CT abdomen — axial view — 47-year-old female patient — Aquilion ONE scanner — scan has 15 labeled organs (that count is for the whole scan; organs this slice misses have no box)
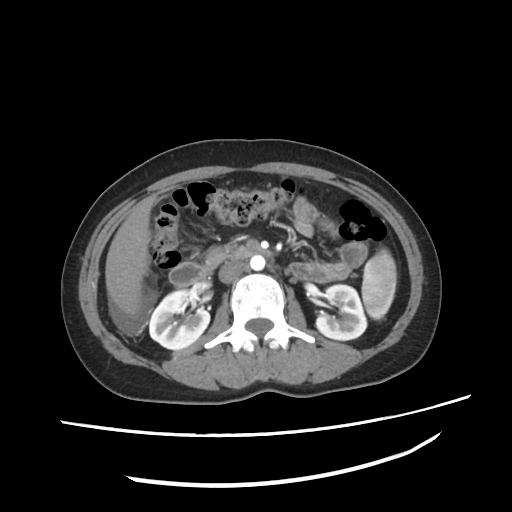

<organs><organ name="liver" x1="105" y1="196" x2="154" y2="314"/><organ name="right kidney" x1="148" y1="288" x2="210" y2="348"/><organ name="spleen" x1="362" y1="250" x2="396" y2="320"/><organ name="aorta" x1="250" y1="255" x2="264" y2="270"/><organ name="duodenum" x1="169" y1="246" x2="252" y2="286"/><organ name="pancreas" x1="201" y1="244" x2="238" y2="271"/><organ name="inferior vena cava" x1="218" y1="260" x2="246" y2="283"/><organ name="left kidney" x1="316" y1="284" x2="367" y2="339"/></organs>